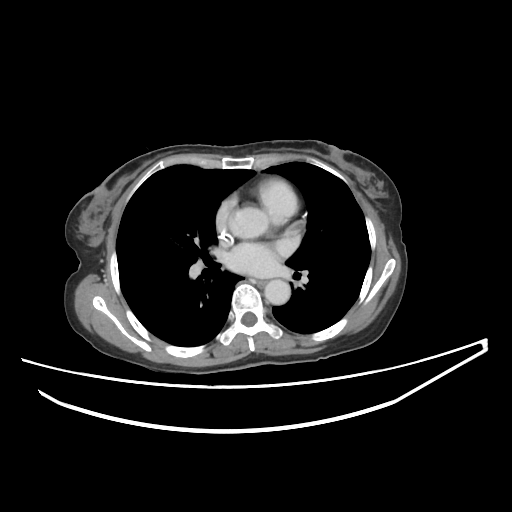

Abdominal CT; this slice is in the lower chest, just above the liver; axial view
Of the structures in the chest, this dataset labels only the esophagus, the aorta and the inferior vena cava; the heart and lungs have no label. Each box given as x1,y1,x2,y2. Labeled organs on this slice: esophagus at x1=257, y1=281, x2=264, y2=285, aorta at x1=264, y1=279, x2=290, y2=304, aorta at x1=241, y1=208, x2=267, y2=236.